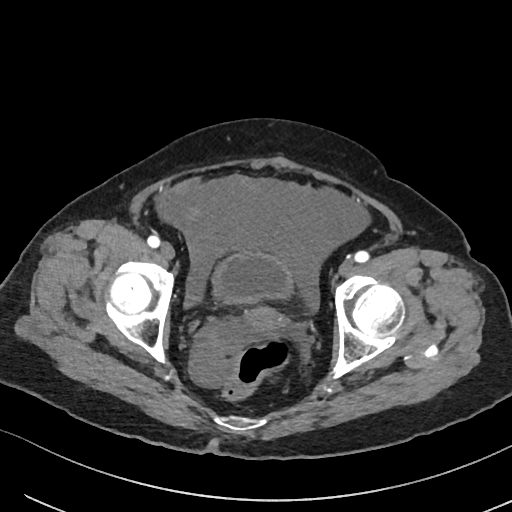
CT, abdomen/pelvis — axial view — 512x512 px
{"organs":{"bladder":[211,251,292,304],"prostate/uterus":[222,307,288,346]}}